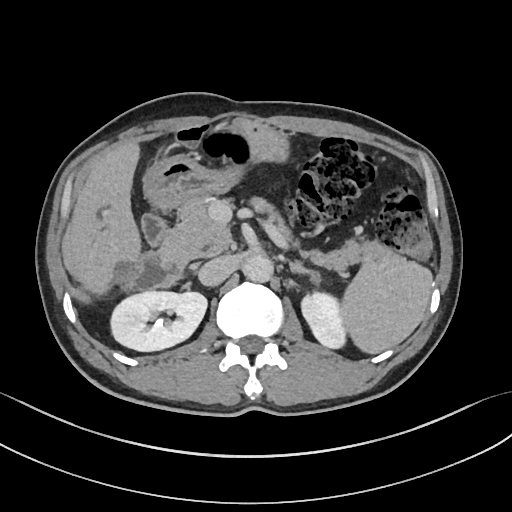
CT abdomen; axial plane, index 162
Boxes: x1 y1 x2 y2 (pixel coords, space-separated).
spleen: 342 255 433 354
right kidney: 112 291 207 351
left kidney: 300 292 344 348
liver: 70 141 142 295
stomach: 145 119 288 211
aorta: 243 253 273 282
inferior vena cava: 198 256 236 287
pancreas: 162 195 393 271
left adrenal gland: 288 258 319 281
duodenum: 121 208 184 294